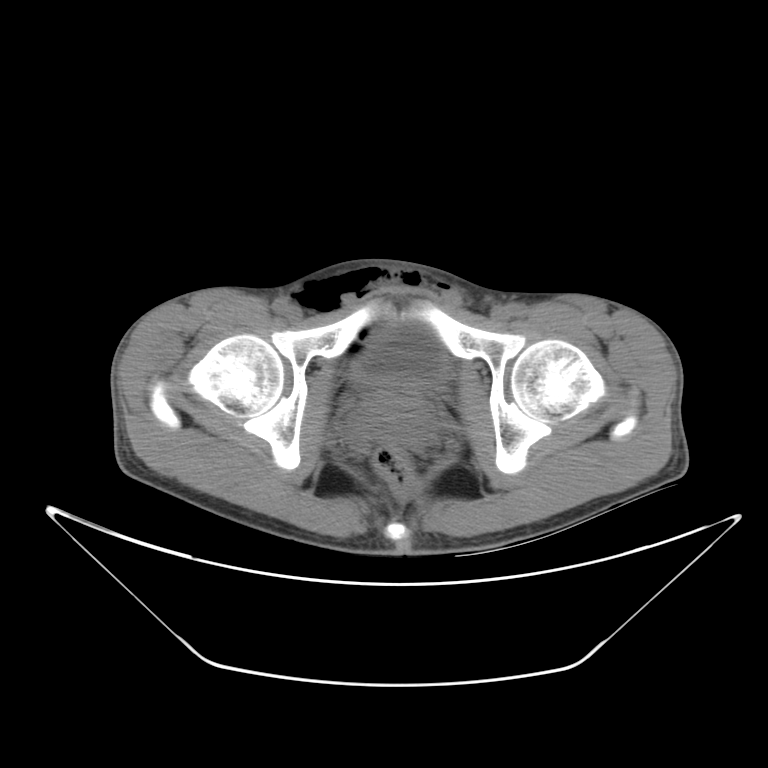 CT, abdomen/pelvis · axial view · 768x768 px · acquired on Brilliance16
<organs><organ name="bladder" x1="355" y1="320" x2="448" y2="385"/><organ name="prostate/uterus" x1="370" y1="393" x2="430" y2="428"/></organs>